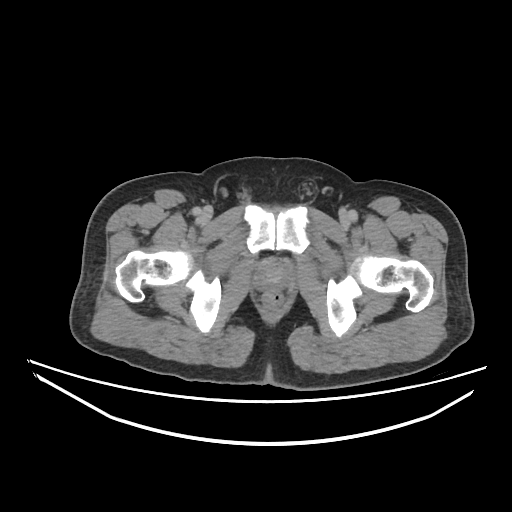
Computed tomography, abdomen. axial view. soft-tissue window (W 400 / L 40). 55-year-old male patient. Aquilion ONE scanner
Bounding boxes in pixels, one row per box: x1, y1 is the top-left corner and x2, y2 the bottom-right.
| organ | x1 | y1 | x2 | y2 |
|---|---|---|---|---|
| prostate/uterus | 253 | 258 | 292 | 293 |